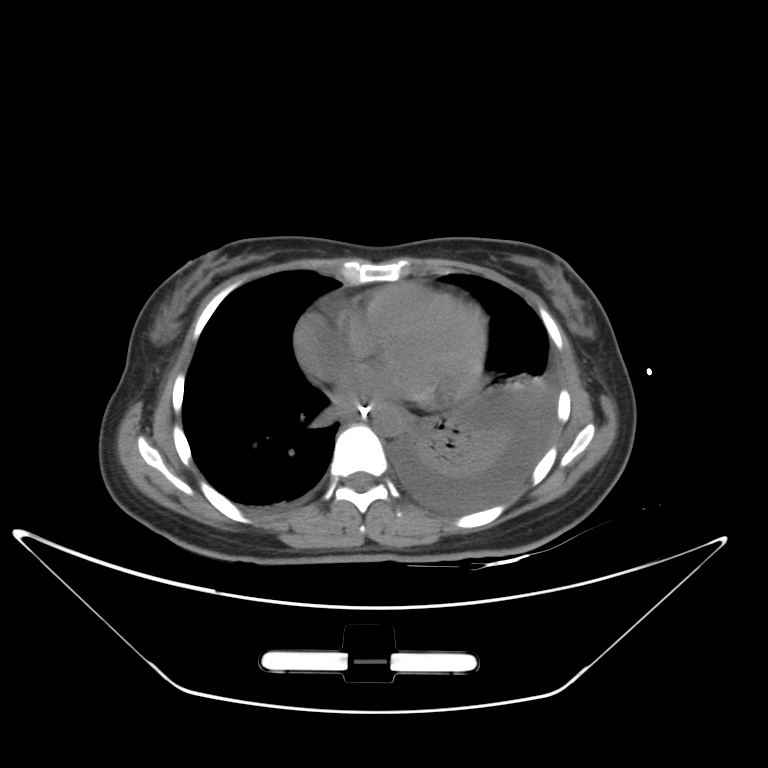

CT of the abdomen reaching into the lower chest, slice just above the liver and spleen — axial view — Brilliance16 scanner
Of the structures in the chest, this dataset labels only the esophagus, the aorta and the inferior vena cava; the heart and lungs have no label.
Bounding boxes in pixels, one row per box: x1, y1 is the top-left corner and x2, y2 the bottom-right.
| organ | x1 | y1 | x2 | y2 |
|---|---|---|---|---|
| aorta | 371 | 403 | 405 | 436 |